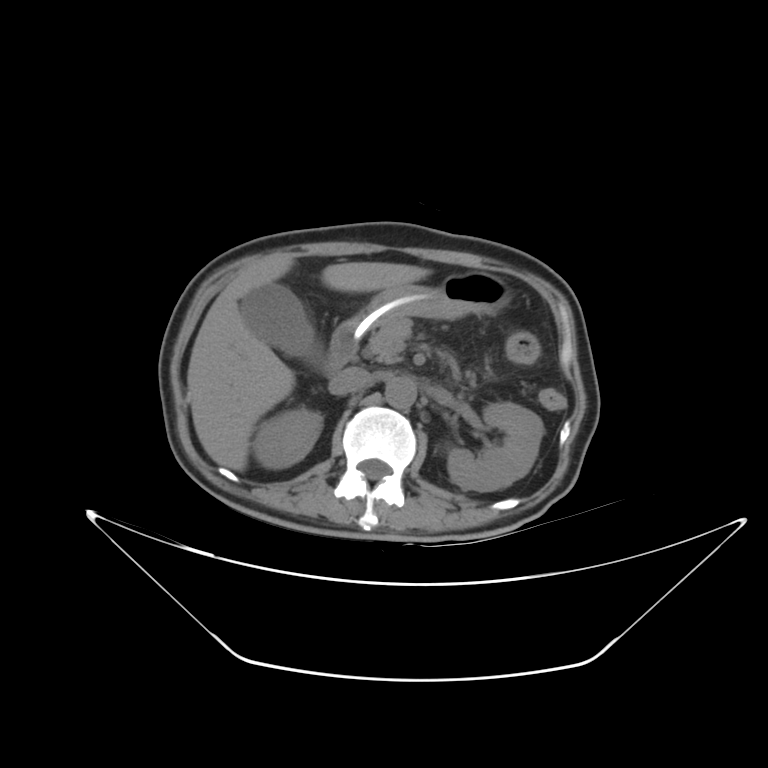

Abdominal CT — axial view — W/L 400/40 HU — 55-year-old male patient
Organ boxes in pixel coordinates; each row gives the top-left (x1, y1) and bottom-right (x2, y2) corners.
| organ | x1 | y1 | x2 | y2 |
|---|---|---|---|---|
| liver | 187 | 253 | 430 | 470 |
| left kidney | 447 | 402 | 543 | 491 |
| stomach | 361 | 271 | 511 | 330 |
| inferior vena cava | 329 | 366 | 370 | 395 |
| aorta | 385 | 377 | 416 | 408 |
| gall bladder | 240 | 283 | 316 | 358 |
| duodenum | 325 | 316 | 361 | 374 |
| pancreas | 364 | 315 | 412 | 363 |
| right kidney | 253 | 407 | 321 | 468 |